CT, abdomen/pelvis; axial view; acquired on Brilliance16; 15 organs annotated in this scan (that count is for the whole scan; organs this slice misses have no box)
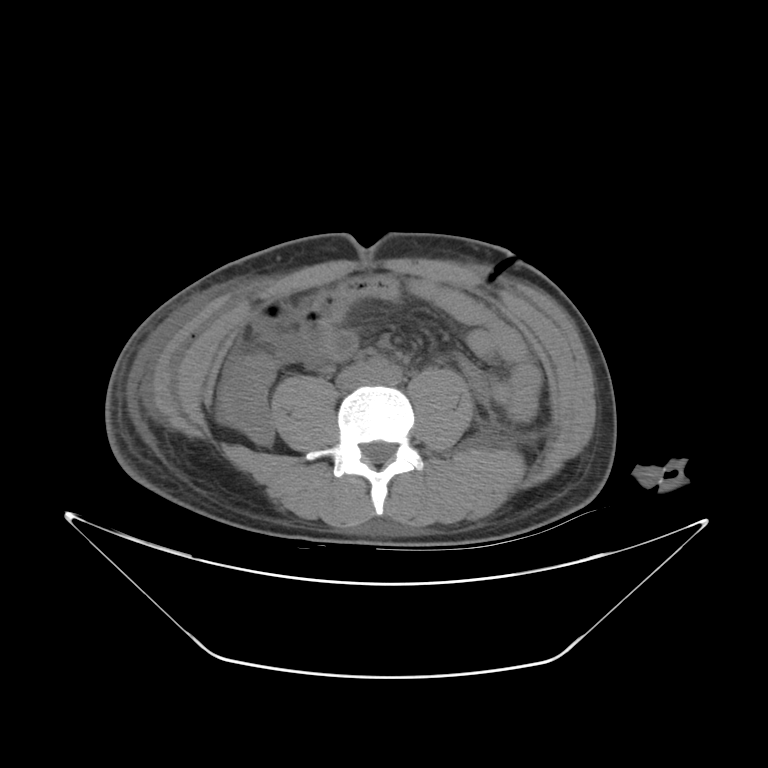 <organs><organ name="inferior vena cava" x1="336" y1="363" x2="374" y2="389"/></organs>